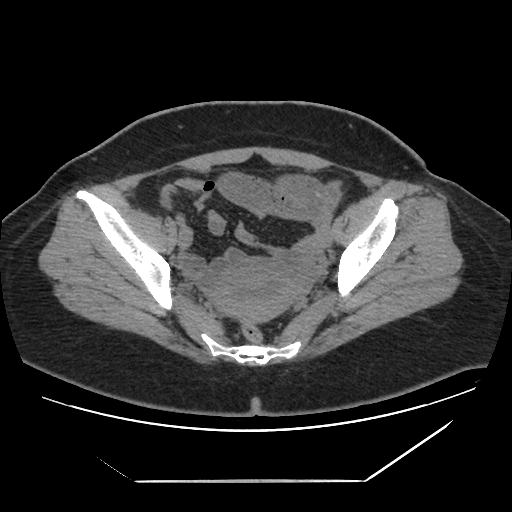

CT, abdomen/pelvis — axial plane, index 69
{"organs":{"prostate/uterus":[207,259,302,321]}}